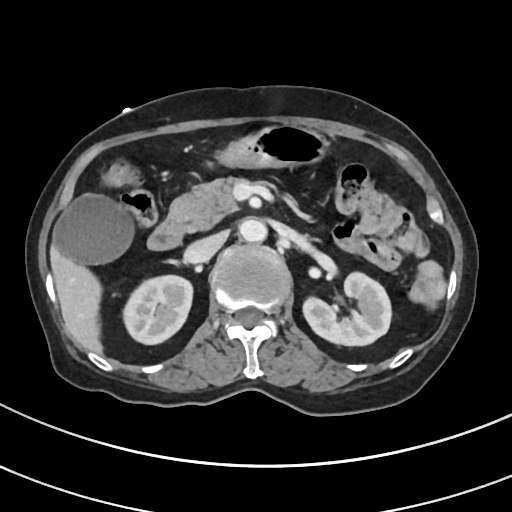
CT, abdomen/pelvis · axial view · soft-tissue window · 15 organs annotated in this scan (a whole-scan count: organs this slice does not pass through have no box)
{"organs":{"right kidney":[124,274,193,344],"left kidney":[302,270,391,346],"gall bladder":[54,195,130,263],"liver":[49,240,103,353],"stomach":[218,126,327,166],"aorta":[238,218,265,242],"inferior vena cava":[185,231,227,263],"pancreas":[169,175,260,230],"duodenum":[147,217,184,250]}}